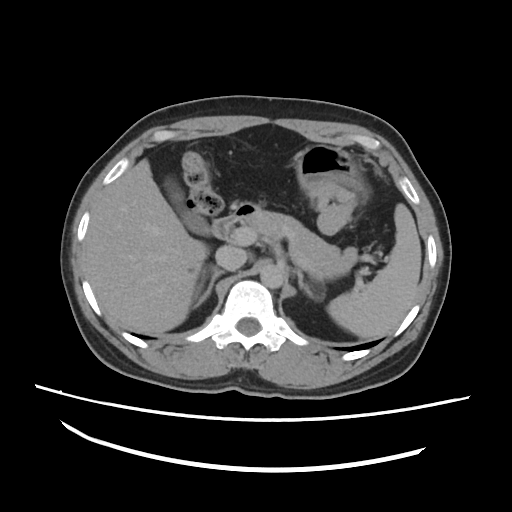

Abdominal CT — Axial slice 76/97 — soft-tissue window
Box edges are left/top/right/bottom in pixels.
liver: left=87, top=158, right=208, bottom=331
spleen: left=328, top=204, right=421, bottom=339
stomach: left=295, top=142, right=362, bottom=195
gall bladder: left=163, top=177, right=210, bottom=237
duodenum: left=211, top=202, right=256, bottom=238
right adrenal gland: left=191, top=265, right=225, bottom=306
aorta: left=260, top=263, right=284, bottom=287
pancreas: left=251, top=206, right=357, bottom=281
left adrenal gland: left=295, top=269, right=313, bottom=297
inferior vena cava: left=216, top=246, right=246, bottom=272